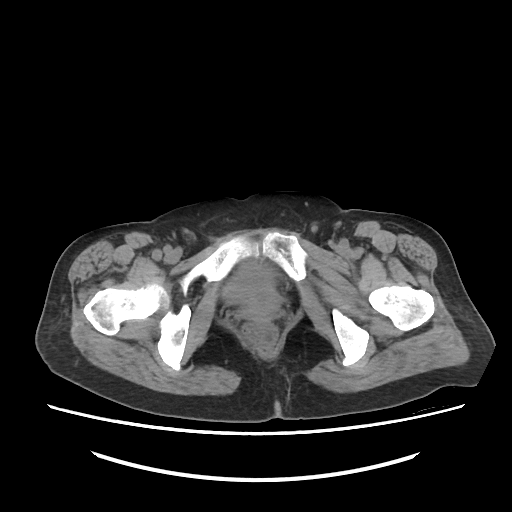

CT, abdomen/pelvis. axial view. 512x512 px
<organs><organ name="bladder" x1="232" y1="262" x2="276" y2="292"/><organ name="prostate/uterus" x1="244" y1="288" x2="284" y2="315"/></organs>